Abdominal CT; this slice is in the lower chest, just above the liver — Axial slice 91/91 — 768x768 px — 56-year-old female patient
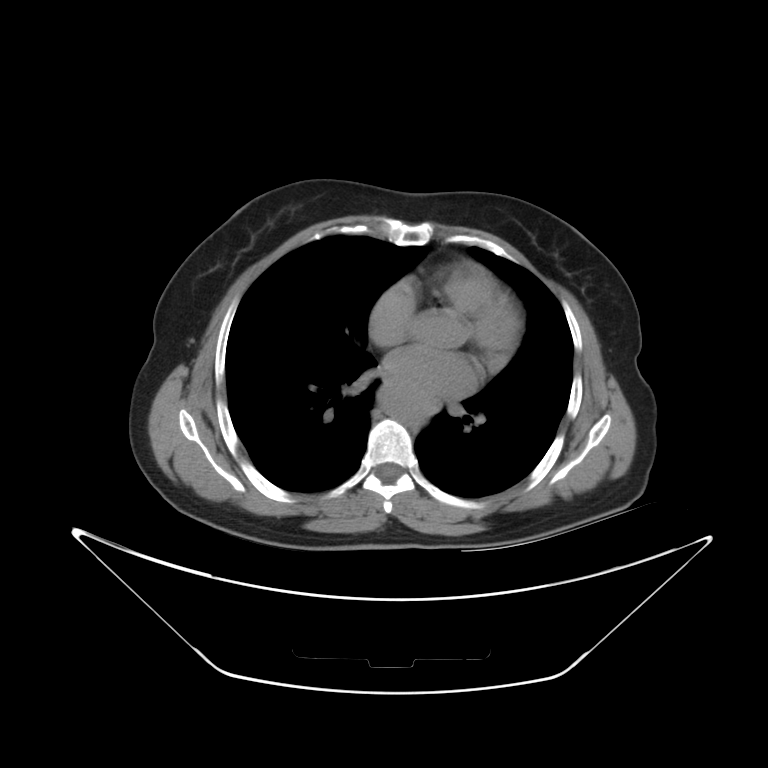

Of the structures in the chest, this dataset labels only the esophagus, the aorta and the inferior vena cava; the heart and lungs have no label.
<organs><organ name="aorta" x1="375" y1="384" x2="442" y2="425"/></organs>